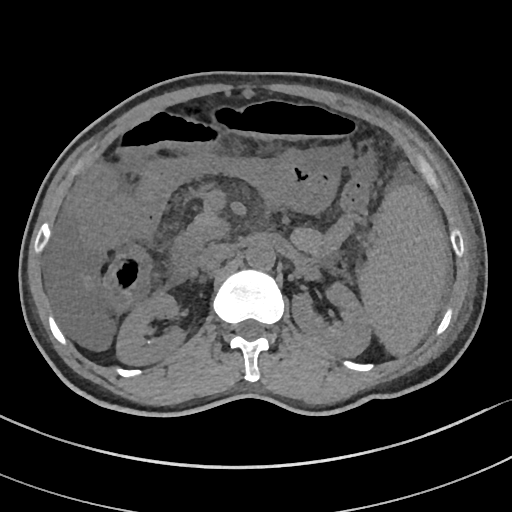 Abdominal CT · axial view · acquired on SOMATOM Force · scan has 15 labeled organs (counted over the whole 3D scan, not this slice; an organ is boxed only where this slice passes through it)
Boxes: x1 y1 x2 y2 (pixel coords, space-separated).
Organ bounding boxes:
- spleen: 358 186 447 355
- right kidney: 116 292 185 365
- left kidney: 292 282 372 357
- aorta: 246 243 275 270
- inferior vena cava: 198 243 235 270
- pancreas: 183 209 228 247
- duodenum: 170 234 203 279